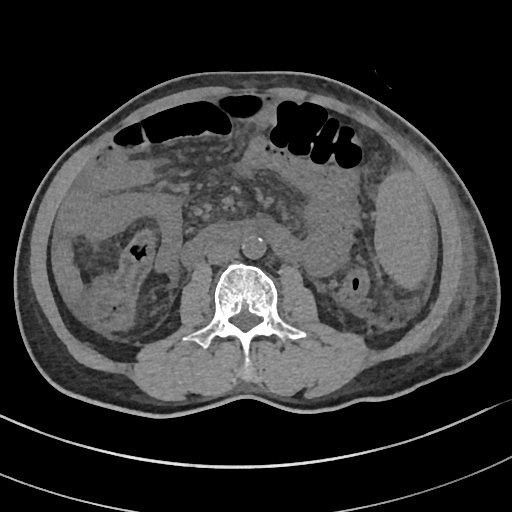
CT abdomen. axial view. W/L 400/40 HU. 512x512 px
Each box given as x1,y1,x2,y2. 4 labeled organs on this slice — spleen at x1=374, y1=172, x2=429, y2=289; aorta at x1=241, y1=235, x2=265, y2=258; inferior vena cava at x1=206, y1=243, x2=237, y2=264; duodenum at x1=183, y1=222, x2=252, y2=265.